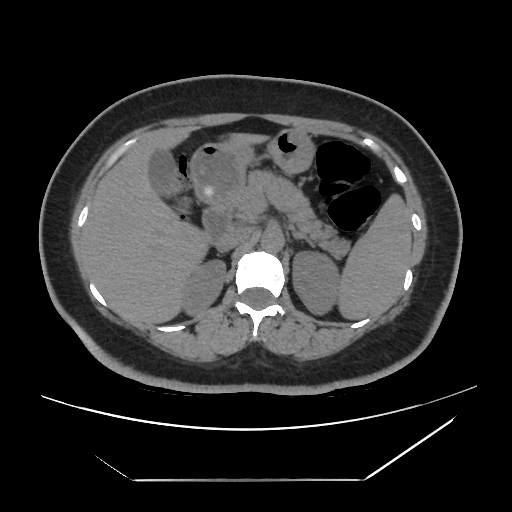
Computed tomography, abdomen · axial view
<organs><organ name="spleen" x1="340" y1="196" x2="411" y2="319"/><organ name="right kidney" x1="179" y1="258" x2="225" y2="315"/><organ name="left kidney" x1="293" y1="249" x2="338" y2="315"/><organ name="gall bladder" x1="149" y1="149" x2="174" y2="195"/><organ name="liver" x1="83" y1="129" x2="261" y2="323"/><organ name="stomach" x1="190" y1="129" x2="312" y2="203"/><organ name="aorta" x1="260" y1="228" x2="284" y2="251"/><organ name="inferior vena cava" x1="215" y1="229" x2="250" y2="251"/><organ name="pancreas" x1="229" y1="173" x2="349" y2="258"/><organ name="right adrenal gland" x1="218" y1="252" x2="225" y2="255"/><organ name="left adrenal gland" x1="294" y1="231" x2="315" y2="245"/><organ name="duodenum" x1="202" y1="204" x2="230" y2="244"/></organs>